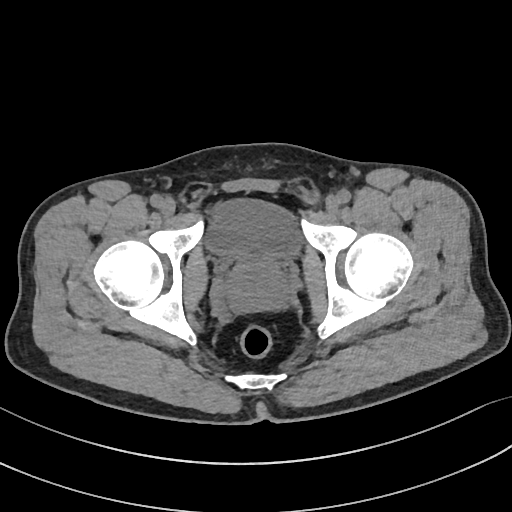
CT abdomen · axial view · 15 organs annotated in this scan (that count is for the whole scan; organs this slice misses have no box)
Boxes: x1 y1 x2 y2 (pixel coords, space-separated). 2 labeled organs on this slice — bladder at 206 199 301 259; prostate/uterus at 224 258 289 311.